Abdominal CT · axial view · SOMATOM Force scanner
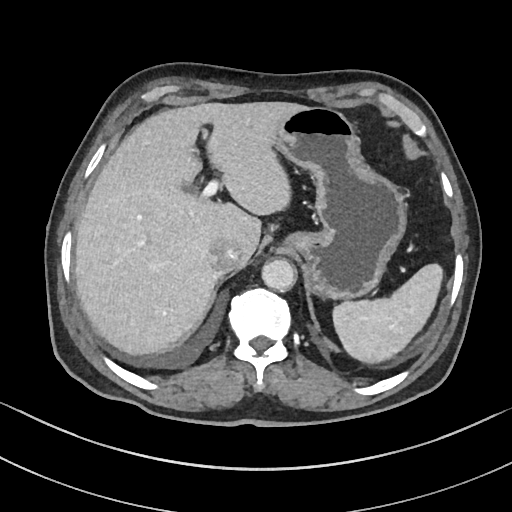
Bounding boxes in pixels, one row per box: x1, y1 is the top-left corner and x2, y2 the bottom-right.
| organ | x1 | y1 | x2 | y2 |
|---|---|---|---|---|
| spleen | 333 | 263 | 443 | 363 |
| liver | 74 | 102 | 303 | 355 |
| stomach | 273 | 106 | 406 | 299 |
| aorta | 261 | 259 | 295 | 291 |
| inferior vena cava | 208 | 240 | 238 | 273 |